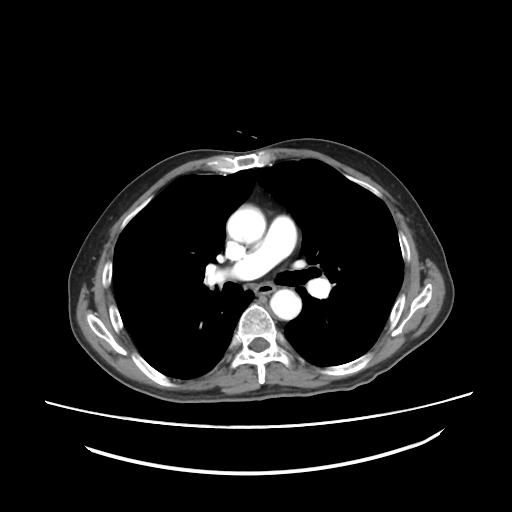 Chest-level slice from an abdominal CT that extends up into the chest. axial view. soft-tissue window. 512x512 px. acquired on Aquilion ONE
On a slice this high in the chest, this dataset labels only the esophagus and the aorta, and each is boxed only where it is labeled; the heart, lungs and other chest structures are not labeled.
<organs><organ name="esophagus" x1="256" y1="283" x2="274" y2="294"/><organ name="aorta" x1="226" y1="205" x2="265" y2="244"/><organ name="aorta" x1="270" y1="289" x2="301" y2="320"/></organs>